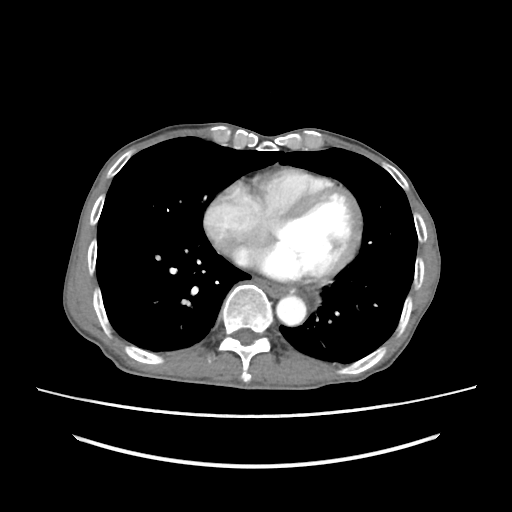

Lower-chest slice from an abdominal CT, just above the liver and spleen · Axial slice 87/126 · soft-tissue window (W 400 / L 40) · 62-year-old male patient
The heart and lungs are never labeled in this dataset, so they have no box on this slice. Boxes: x1 y1 x2 y2 (pixel coords, space-separated). 2 labeled organs on this slice — esophagus at 257 279 289 296; aorta at 276 295 306 325.